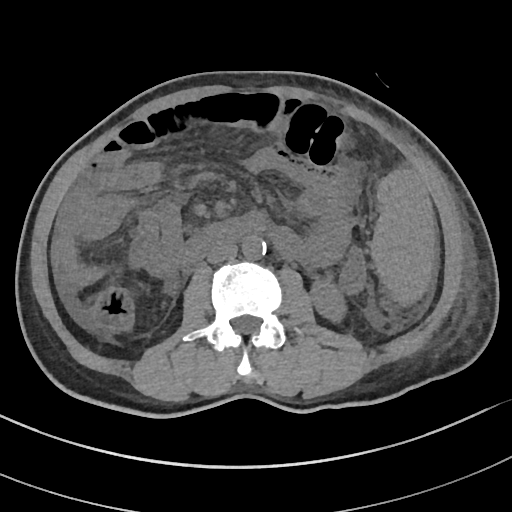
Abdominal CT. axial view. soft-tissue window. 15 organs annotated in this scan (a whole-scan count: organs this slice does not pass through have no box)
Coordinates as <box>x1,y1,x2,y2</box> in pixels.
spleen: <box>370,171,436,308</box>
left kidney: <box>310,278,345,321</box>
inferior vena cava: <box>207,242,237,263</box>
aorta: <box>242,235,265,259</box>
duodenum: <box>183,212,268,266</box>